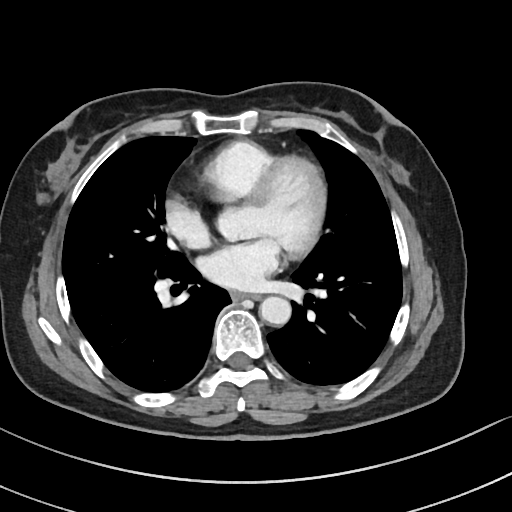
Abdominal CT; this slice is in the lower chest, just above the liver; axial view; 512x512 px
No part of the heart or lungs is labeled in this dataset, so neither has a box here.
One row per box, in pixels: columns x1 and y1 give the top-left corner, x2 and y2 the bottom-right.
| organ | x1 | y1 | x2 | y2 |
|---|---|---|---|---|
| esophagus | 230 | 291 | 259 | 300 |
| aorta | 260 | 296 | 291 | 324 |